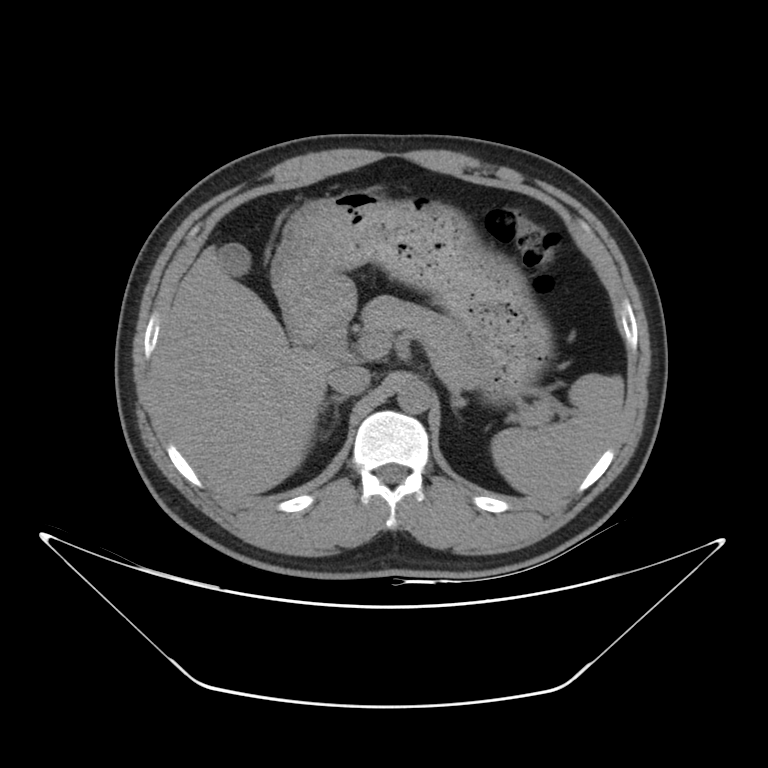

Abdominal CT; axial view; abdomen soft-tissue window; 768x768 px
{"organs":{"right adrenal gland":[320,396,346,411],"spleen":[491,373,624,498],"pancreas":[361,295,551,424],"inferior vena cava":[328,365,369,395],"duodenum":[313,324,348,362],"gall bladder":[217,242,251,277],"liver":[153,246,333,498],"aorta":[398,378,431,413],"stomach":[270,189,552,403]}}